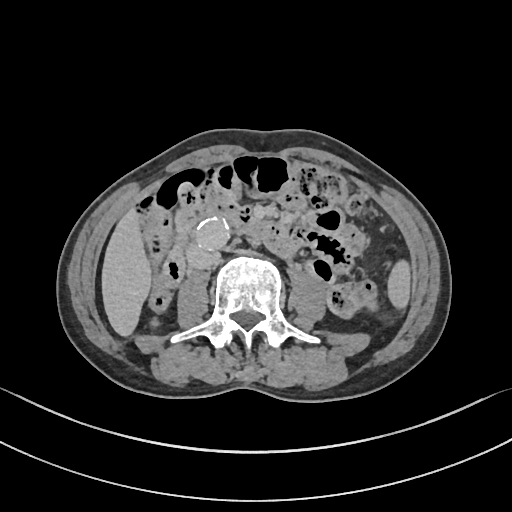

Abdominal CT; axial view; 512x512 px
Each box given as x1,y1,x2,y2. The annotated organs in this slice are: spleen at x1=388, y1=260, x2=409, y2=307, inferior vena cava at x1=186, y1=245, x2=215, y2=268, aorta at x1=194, y1=218, x2=229, y2=249, duodenum at x1=204, y1=201, x2=291, y2=259, right kidney at x1=151, y1=318, x2=158, y2=325, liver at x1=102, y1=208, x2=150, y2=335.